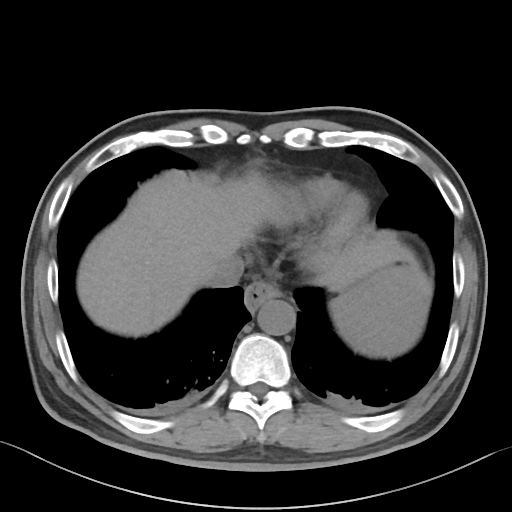

CT, abdomen/pelvis; Axial slice 90/101
Boxes are (x1, y1, x2, y2) in pixels.
inferior vena cava: (206, 257, 243, 288)
aorta: (257, 299, 295, 335)
esophagus: (244, 281, 280, 311)
spleen: (331, 267, 425, 356)
liver: (77, 172, 414, 342)